Abdominal CT reaching into the chest; this slice is in the chest — Axial slice 113/122 — 15 organs annotated in this scan (a whole-scan count: organs this slice does not pass through have no box)
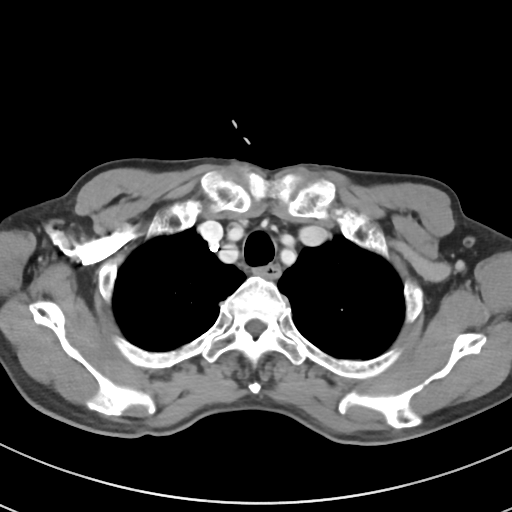 At this level of the chest no structure but the esophagus and the aorta has a label in this dataset, and those two are boxed only where they are labeled.
<organs><organ name="esophagus" x1="254" y1="264" x2="280" y2="277"/></organs>